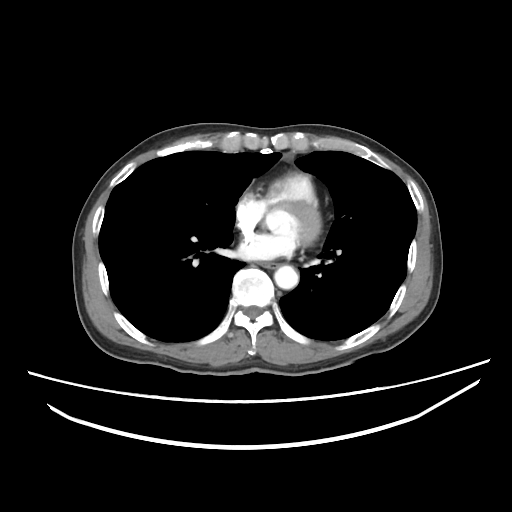

CT of the abdomen extending into the chest, slice through the chest; axial view; soft-tissue window (W 400 / L 40)
On a slice this high in the chest, this dataset labels only the esophagus and the aorta, and each is boxed only where it is labeled; the heart, lungs and other chest structures are not labeled.
One row per box, in pixels: columns x1 and y1 give the top-left corner, x2 and y2 the bottom-right.
| organ | x1 | y1 | x2 | y2 |
|---|---|---|---|---|
| esophagus | 260 | 262 | 275 | 267 |
| aorta | 274 | 264 | 298 | 289 |